CT, abdomen/pelvis · axial view
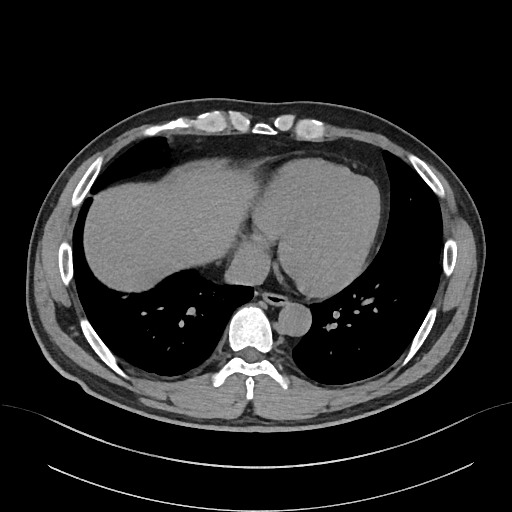 {"organs":{"aorta":[278,303,311,336],"liver":[84,165,260,293],"inferior vena cava":[226,246,270,284],"esophagus":[262,293,288,306]}}